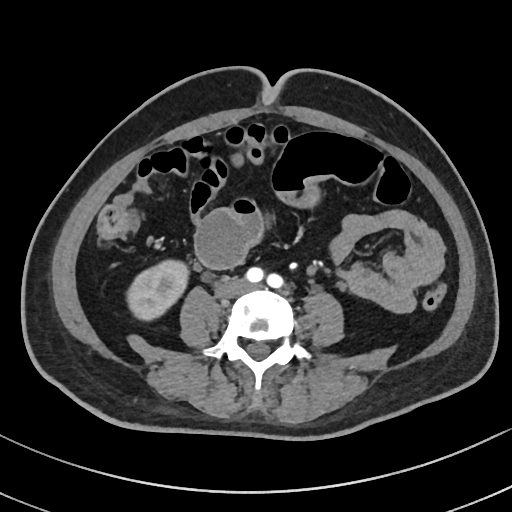 Abdominal CT. axial view. abdomen soft-tissue window. 15 organs annotated in this scan (a whole-scan count: organs this slice does not pass through have no box)
Bounding boxes as [x1, y1, x2, y2] in pixel coordinates.
Organ bounding boxes:
- right kidney: [126, 259, 188, 320]
- inferior vena cava: [218, 281, 245, 295]